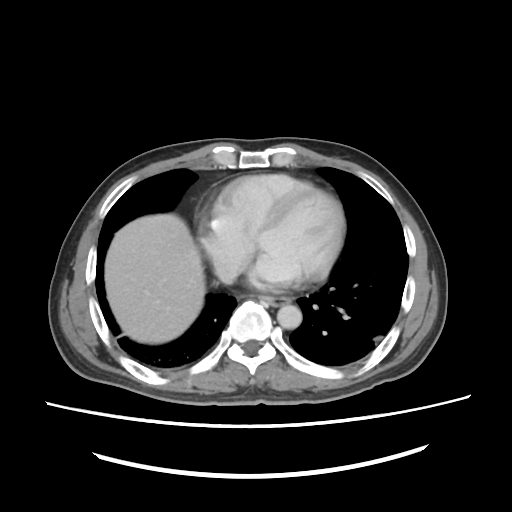

Abdominal CT; Axial slice 90/126; soft-tissue window (W 400 / L 40); 512x512 px; 45-year-old male patient
Boxes are (x1, y1, x2, y2) in pixels.
esophagus: (267, 297, 289, 304)
liver: (103, 213, 204, 344)
inferior vena cava: (214, 260, 237, 281)
aorta: (276, 305, 302, 329)